Abdominal CT · axial view · W/L 400/40 HU
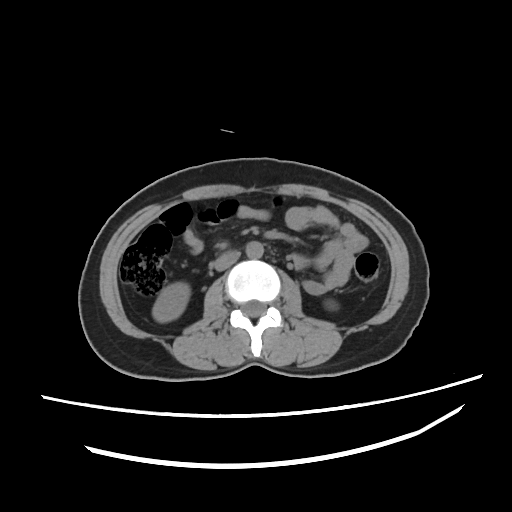 {"organs":{"inferior vena cava":[214,250,240,270],"aorta":[247,240,263,256],"right kidney":[153,283,188,321]}}